Computed tomography, abdomen · axial view · soft-tissue window (W 400 / L 40) · 512x512 px · 15 organs annotated in this scan (that count is for the whole scan; organs this slice misses have no box)
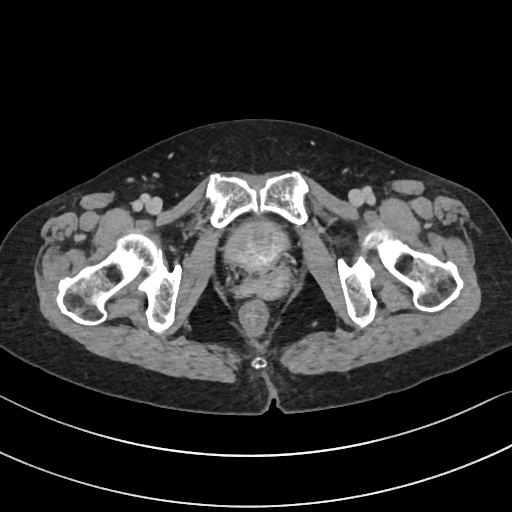 Bounding boxes as [x1, y1, x2, y2] in pixel coordinates.
bladder: [225, 221, 288, 270]
prostate/uterus: [254, 269, 288, 301]